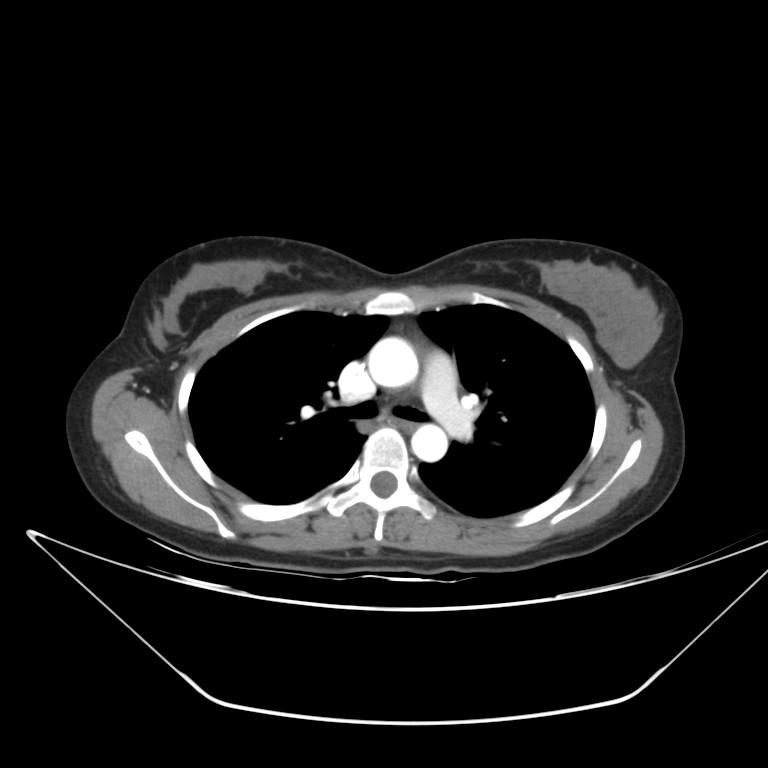

Chest-level CT slice, above the liver and spleen · axial view · 768x768 px
On a slice this high in the chest, this dataset labels only the esophagus and the aorta, and each is boxed only where it is labeled; the heart, lungs and other chest structures are not labeled.
Boxes: x1 y1 x2 y2 (pixel coords, space-separated).
Organ bounding boxes:
- aorta: 368 337 417 388
- aorta: 411 424 448 461
- esophagus: 389 420 415 430